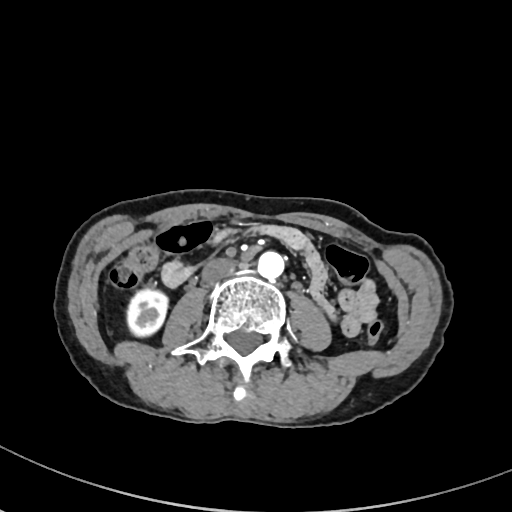
Abdominal CT — Axial slice 119/207 — 512x512 px — 15 organs annotated in this scan (a whole-scan count: organs this slice does not pass through have no box)
Box edges are left/top/right/bottom in pixels.
right kidney: left=127, top=288, right=167, bottom=336
aorta: left=257, top=251, right=284, bottom=279
inferior vena cava: left=201, top=259, right=235, bottom=283